Computed tomography, abdomen; axial plane, index 144; soft-tissue window; acquired on SOMATOM Force; 15 organs annotated in this scan (a whole-scan count: organs this slice does not pass through have no box)
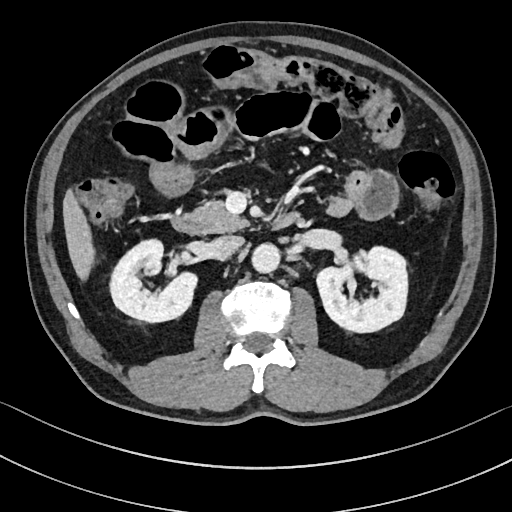 Boxes are (x1, y1, x2, y2) in pixels. 7 labeled organs on this slice — inferior vena cava at (212, 236, 244, 261); left kidney at (316, 245, 409, 332); aorta at (253, 242, 280, 272); right kidney at (109, 237, 197, 322); pancreas at (190, 202, 248, 232); duodenum at (173, 213, 299, 235); liver at (63, 188, 95, 278).